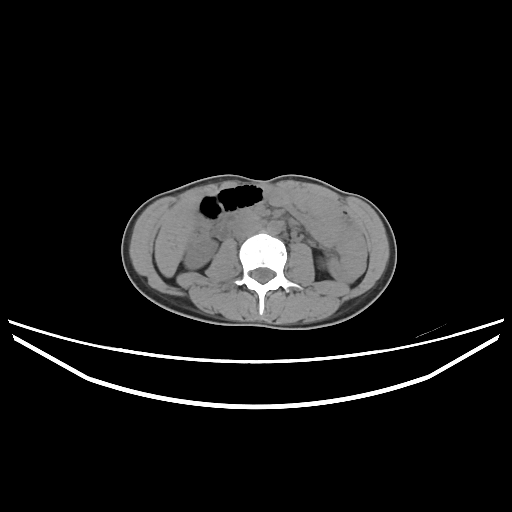 CT, abdomen/pelvis — axial view — abdomen soft-tissue window — 512x512 px
{"organs":{"right kidney":[184,237,217,269],"liver":[155,197,202,277],"aorta":[267,220,282,234],"inferior vena cava":[233,219,261,238],"duodenum":[213,212,260,240]}}